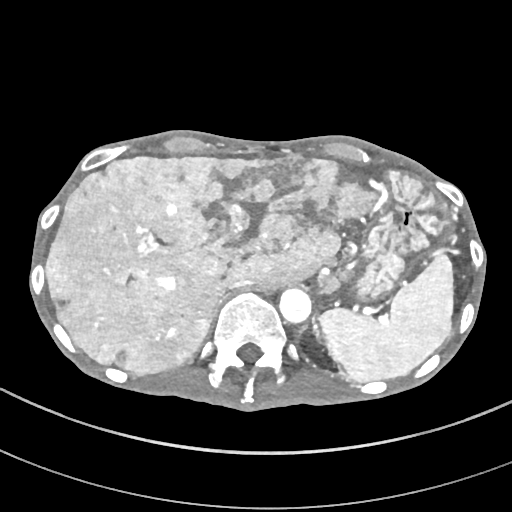
Abdominal CT · Axial slice 174/218 · 512x512 px · SOMATOM Force scanner
<organs><organ name="stomach" x1="348" y1="168" x2="450" y2="301"/><organ name="aorta" x1="279" y1="288" x2="311" y2="323"/><organ name="liver" x1="46" y1="156" x2="379" y2="373"/><organ name="left adrenal gland" x1="315" y1="330" x2="321" y2="341"/><organ name="inferior vena cava" x1="218" y1="281" x2="256" y2="297"/><organ name="spleen" x1="319" y1="253" x2="453" y2="381"/></organs>